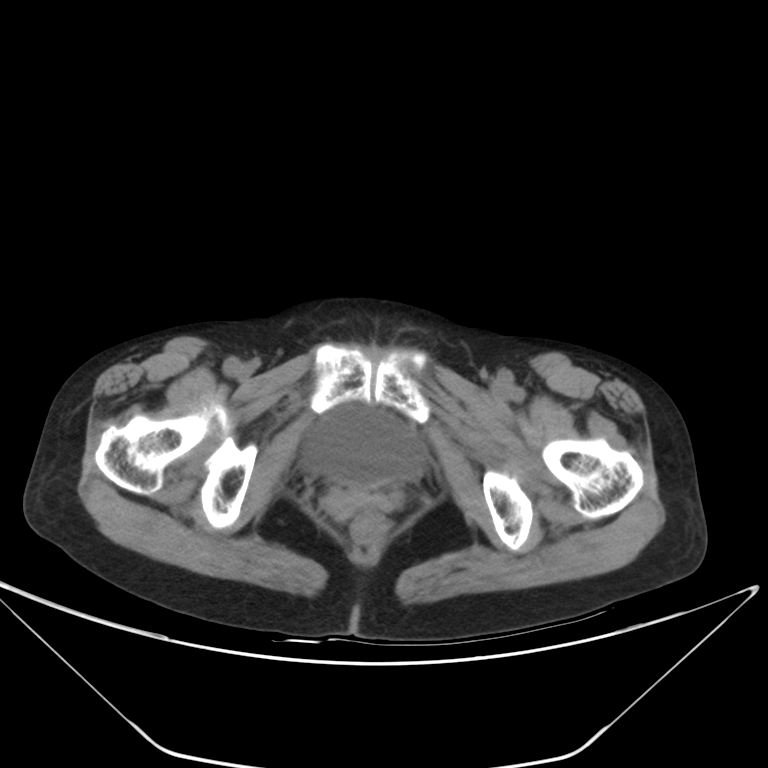

CT abdomen · Axial slice 12/85 · 768x768 px
Bounding boxes as [x1, y1, x2, y2] in pixel coordinates.
Organ bounding boxes:
- bladder: [302, 407, 425, 486]
- prostate/uterus: [327, 490, 373, 516]